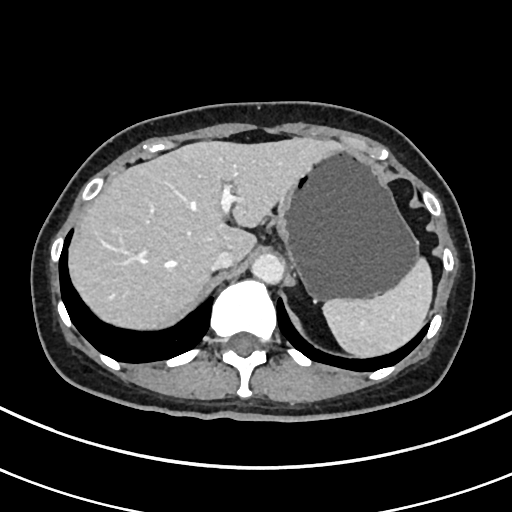 Computed tomography, abdomen; axial view
Organ boxes in pixel coordinates; each row gives the top-left (x1, y1) and bottom-right (x2, y2) corners.
| organ | x1 | y1 | x2 | y2 |
|---|---|---|---|---|
| stomach | 274 | 148 | 419 | 301 |
| liver | 69 | 137 | 339 | 330 |
| inferior vena cava | 210 | 249 | 235 | 270 |
| spleen | 323 | 261 | 431 | 356 |
| aorta | 251 | 253 | 284 | 284 |